CT abdomen; axial plane, index 14; W/L 400/40 HU; 41-year-old male patient; acquired on Brilliance16; 15 organs annotated in this scan (counted over the whole 3D scan, not this slice; an organ is boxed only where this slice passes through it)
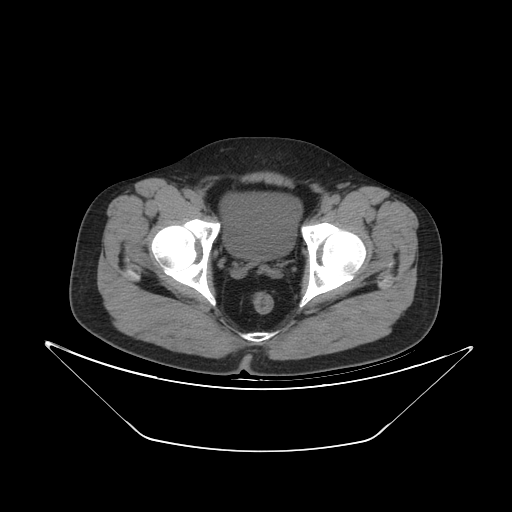 Boxes: x1:y1:x2:y2 in pixels. 1 labeled organ on this slice — bladder at 219:192:302:259.